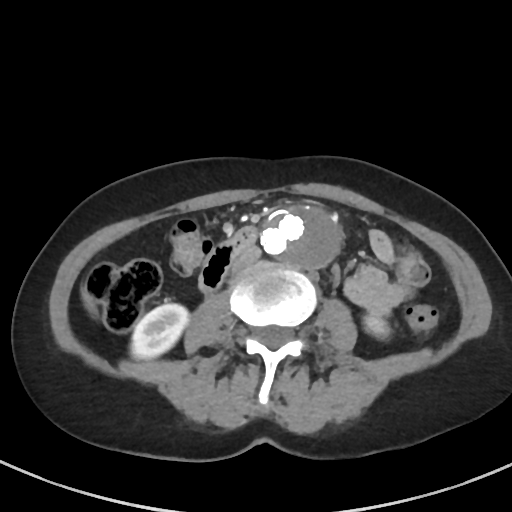 Abdominal CT · axial view
Box edges are left/top/right/bottom in pixels.
Organ bounding boxes:
- right kidney: left=130, top=303, right=188, bottom=359
- left kidney: left=364, top=315, right=389, bottom=338
- liver: left=81, top=288, right=96, bottom=314
- aorta: left=259, top=204, right=343, bottom=267
- inferior vena cava: left=230, top=244, right=260, bottom=274
- duodenum: left=199, top=227, right=256, bottom=292